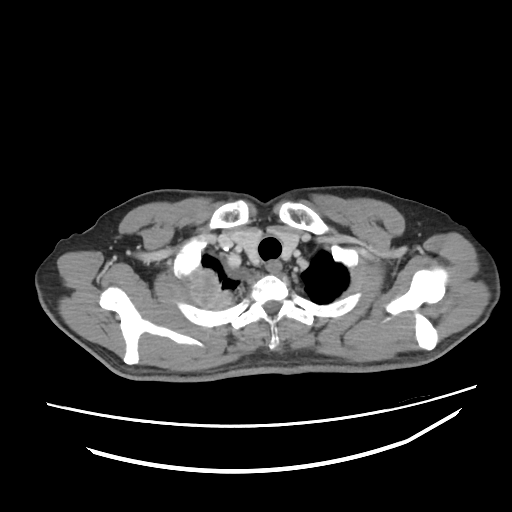
Chest-level slice from an abdominal CT that extends up into the chest · axial plane, index 127 · 49-year-old male patient
At this level of the chest no structure but the esophagus and the aorta has a label in this dataset, and those two are boxed only where they are labeled. Bounding boxes as [x1, y1, x2, y2] in pixel coordinates. 1 labeled organ on this slice — esophagus at [265, 260, 282, 273].